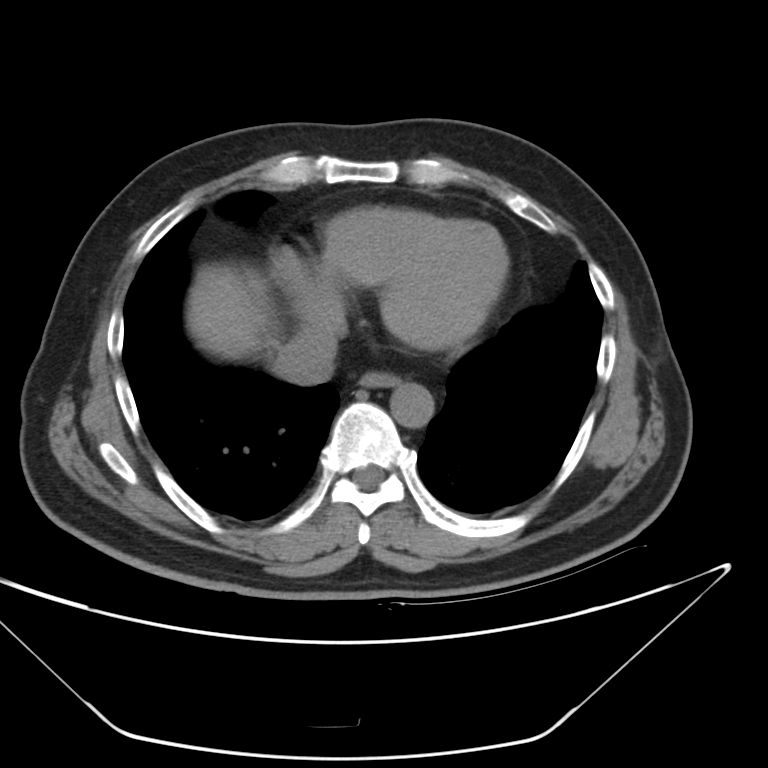 Abdominal CT. axial view. W/L 400/40 HU. 768x768 px
Coordinates as <box>x1,y1,x2,y2</box> in pixels.
Organ bounding boxes:
- esophagus: <box>363,371,396,387</box>
- liver: <box>188,265,273,361</box>
- aorta: <box>392,382,434,430</box>
- inferior vena cava: <box>277,330,339,384</box>